CT of the abdomen extending into the chest, slice through the chest. axial view. 512x512 px. scan has 15 labeled organs (that count is for the whole scan; organs this slice misses have no box)
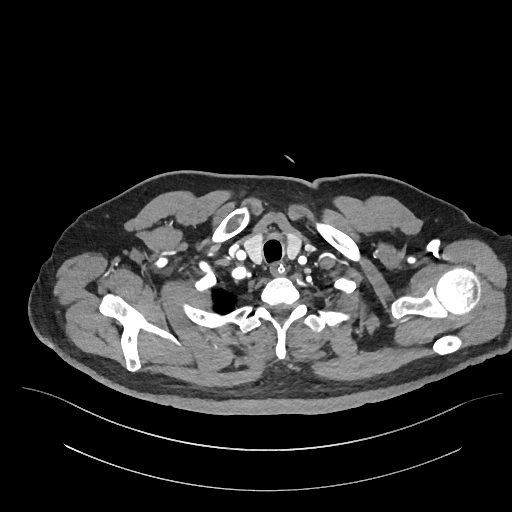

At this level of the chest this dataset labels only the esophagus and the aorta, and each is boxed only where it is labeled; the heart and lungs are never labeled. Box edges are left/top/right/bottom in pixels. Labeled organs on this slice: esophagus at left=270, top=263, right=286, bottom=274.